CT of the abdomen reaching into the lower chest, slice just above the liver and spleen · axial view · soft-tissue window · 512x512 px
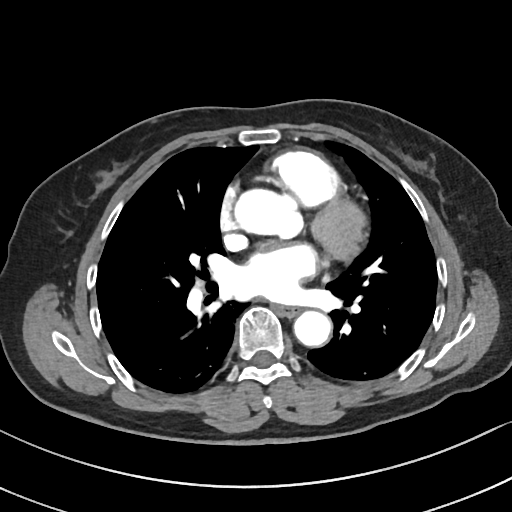 Of the structures in the chest, this dataset labels only the esophagus, the aorta and the inferior vena cava; the heart and lungs have no label.
Bounding boxes in pixels, one row per box: x1, y1 is the top-left corner and x2, y2 the bottom-right.
| organ | x1 | y1 | x2 | y2 |
|---|---|---|---|---|
| esophagus | 277 | 305 | 297 | 315 |
| aorta | 233 | 189 | 304 | 240 |
| aorta | 294 | 310 | 330 | 345 |